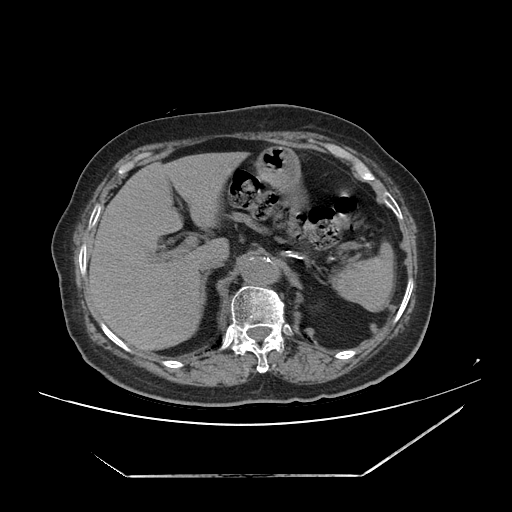

Computed tomography, abdomen — axial view — abdomen soft-tissue window — acquired on SOMATOM Force
Boxes are (x1, y1, x2, y2) in pixels. Labeled organs on this slice: spleen at (331, 241, 395, 311), liver at (88, 151, 249, 351), stomach at (254, 146, 306, 209), aorta at (240, 255, 278, 285), inferior vena cava at (199, 255, 224, 270), pancreas at (228, 212, 252, 224), right adrenal gland at (201, 271, 210, 300).